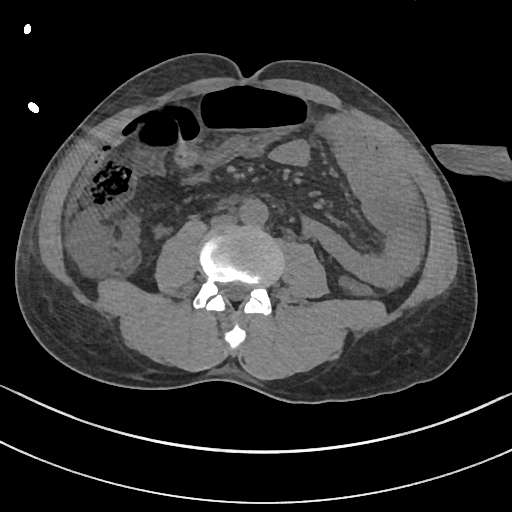
CT, abdomen/pelvis · axial plane, index 121 · soft-tissue window (W 400 / L 40) · 512x512 px · scan has 15 labeled organs (a whole-scan count: organs this slice does not pass through have no box)
Organ boxes in pixel coordinates; each row gives the top-left (x1, y1) and bottom-right (x2, y2) corners.
| organ | x1 | y1 | x2 | y2 |
|---|---|---|---|---|
| aorta | 239 | 199 | 268 | 225 |
| inferior vena cava | 211 | 214 | 236 | 226 |